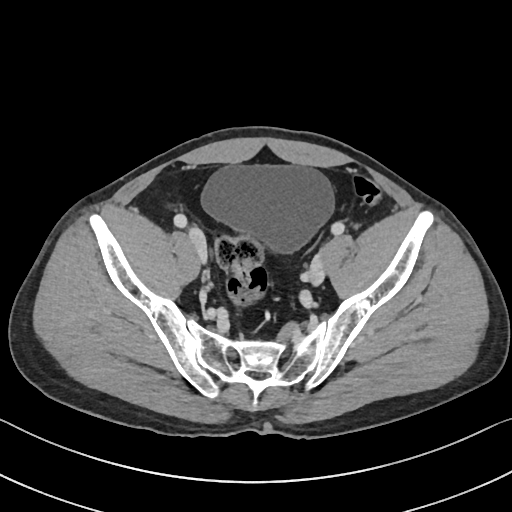 CT abdomen — Axial slice 50/291 — W/L 400/40 HU — 512x512 px — 15 organs annotated in this scan (counted over the whole 3D scan, not this slice; an organ is boxed only where this slice passes through it)
Boxes: x1 y1 x2 y2 (pixel coords, space-separated).
Organ bounding boxes:
- bladder: 201 165 334 254